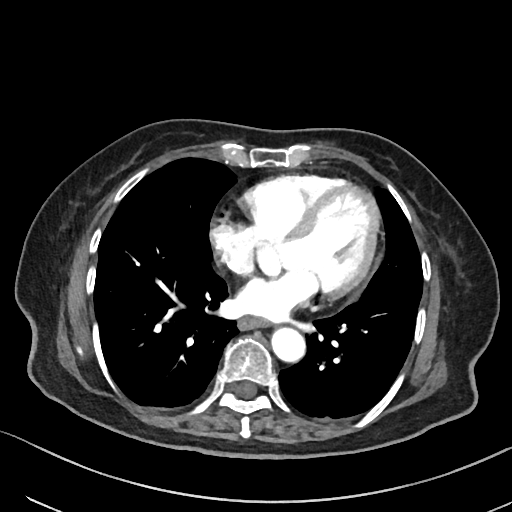
Abdominal CT; this slice is in the lower chest, just above the liver — axial plane, index 221 — soft-tissue window (W 400 / L 40) — 512x512 px — scan has 15 labeled organs (a whole-scan count: organs this slice does not pass through have no box)
The heart and lungs are never labeled in this dataset, so they have no box on this slice.
Bounding boxes in pixels, one row per box: x1, y1 is the top-left corner and x2, y2 the bottom-right.
| organ | x1 | y1 | x2 | y2 |
|---|---|---|---|---|
| esophagus | 238 | 317 | 267 | 329 |
| aorta | 270 | 326 | 304 | 361 |